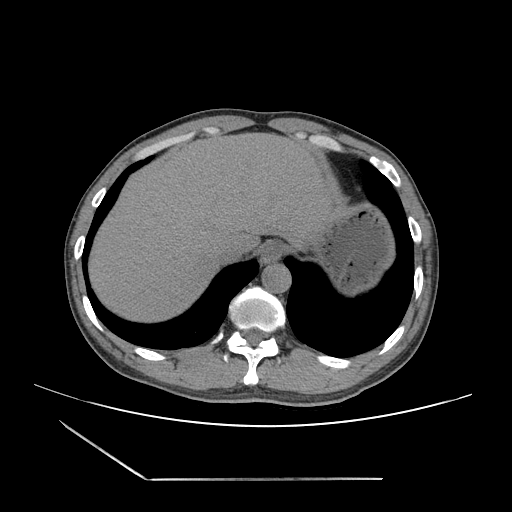 CT abdomen. Axial slice 157/173. soft-tissue window (W 400 / L 40). 512x512 px. acquired on SOMATOM Force
Boxes: x1:y1:x2:y2 in pixels. 5 labeled organs on this slice — esophagus at 261:239:285:261; liver at 89:132:334:321; stomach at 295:200:396:296; aorta at 261:263:291:293; inferior vena cava at 218:239:244:265.